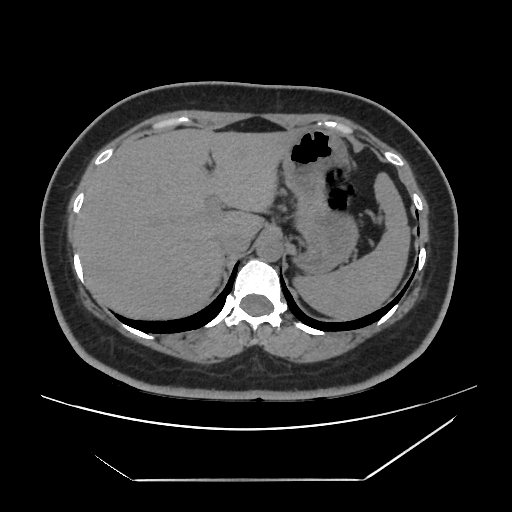

CT, abdomen/pelvis. axial view. W/L 400/40 HU. 15 organs annotated in this scan (that count is for the whole scan; organs this slice misses have no box)
Boxes are (x1, y1, x2, y2) in pixels.
spleen: (295, 172, 410, 320)
liver: (76, 127, 298, 320)
stomach: (281, 127, 357, 272)
aorta: (256, 235, 283, 261)
inferior vena cava: (219, 232, 251, 254)